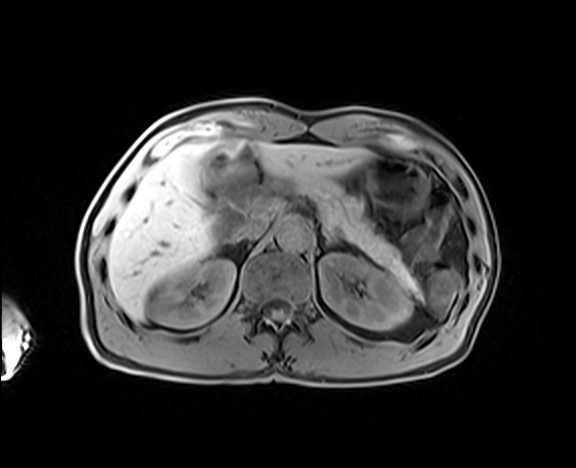 MRI, abdomen — axial view — 1st–99th percentile window — 576x468 px — acquired on Prisma
Boxes are (x1, y1, x2, y2) in pixels.
right kidney: (150, 259, 235, 327)
left kidney: (319, 253, 411, 329)
liver: (107, 143, 371, 319)
stomach: (362, 155, 427, 215)
aorta: (277, 218, 311, 250)
inferior vena cava: (233, 218, 267, 240)
pancreas: (314, 183, 425, 302)
left adrenal gland: (321, 229, 343, 247)